Computed tomography, abdomen. axial view
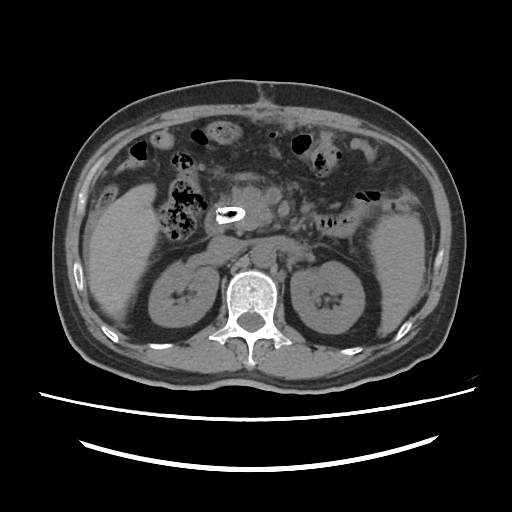

<organs><organ name="liver" x1="87" y1="183" x2="158" y2="320"/><organ name="left kidney" x1="290" y1="261" x2="364" y2="333"/><organ name="right kidney" x1="148" y1="261" x2="218" y2="326"/><organ name="inferior vena cava" x1="208" y1="235" x2="243" y2="262"/><organ name="aorta" x1="251" y1="244" x2="275" y2="267"/><organ name="duodenum" x1="205" y1="203" x2="327" y2="234"/><organ name="pancreas" x1="227" y1="186" x2="272" y2="231"/><organ name="spleen" x1="369" y1="215" x2="424" y2="334"/></organs>